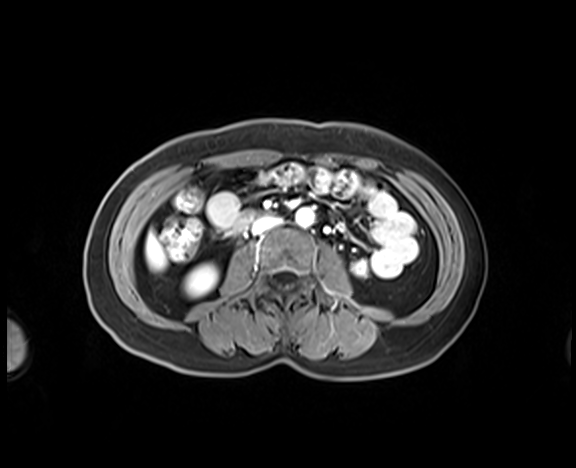 Abdominal MRI — axial view — 576x468 px — 13 organs annotated in this scan (that count is for the whole scan; organs this slice misses have no box)
{"organs":{"right kidney":[184,263,218,297],"liver":[145,231,166,270],"aorta":[295,208,314,226],"inferior vena cava":[252,217,280,234],"duodenum":[230,209,263,234]}}